CT abdomen — Axial slice 19/298 — soft-tissue window (W 400 / L 40) — 15 organs annotated in this scan (counted over the whole 3D scan, not this slice; an organ is boxed only where this slice passes through it)
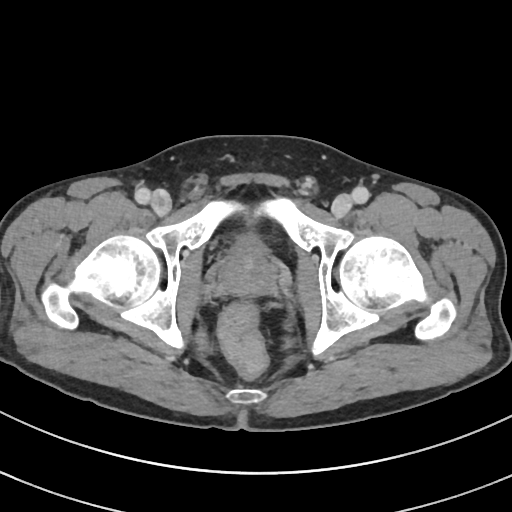

Boxes: x1:y1:x2:y2 in pixels.
bladder: 235:231:265:248
prostate/uterus: 219:246:278:295